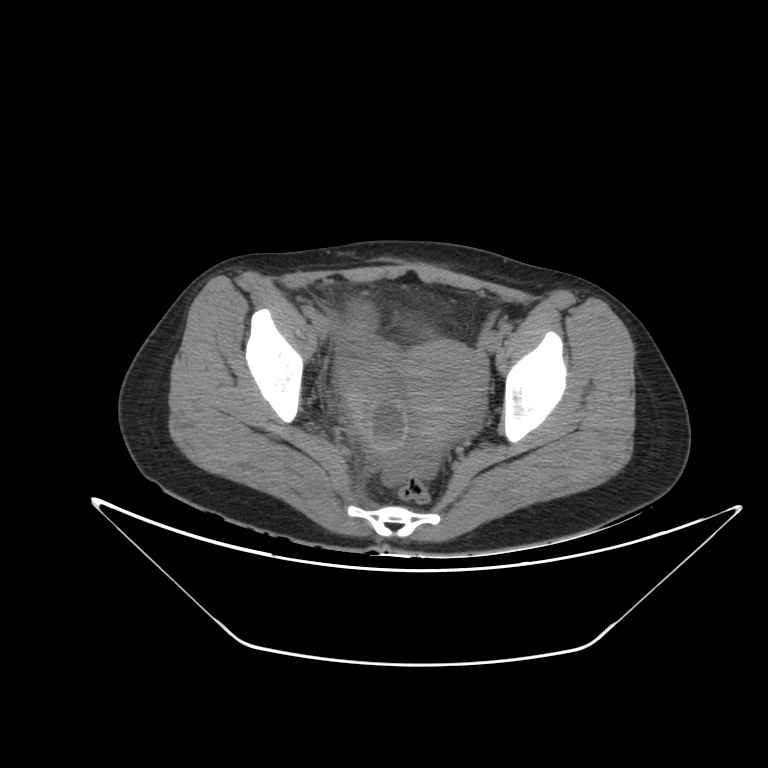
Abdominal CT — axial view — abdomen soft-tissue window — 768x768 px — 38-year-old female patient — Brilliance16 scanner
Box edges are left/top/right/bottom in pixels. Labeled organs on this slice: prostate/uterus at left=401, top=341, right=486, bottom=444.